Computed tomography, abdomen — axial view — abdomen soft-tissue window — SOMATOM Force scanner
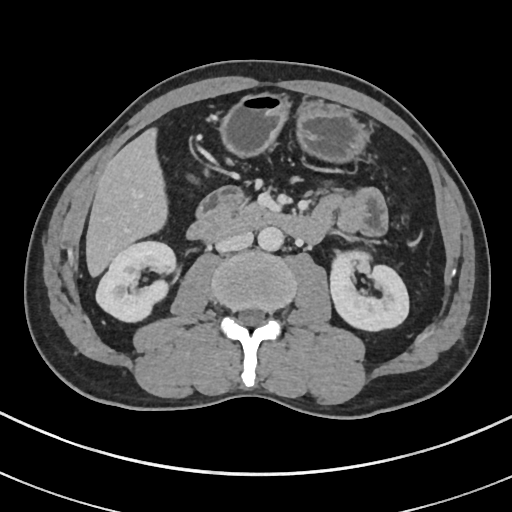
Boxes: x1 y1 x2 y2 (pixel coords, space-separated).
liver: 86 128 167 275
stomach: 222 94 363 162
aorta: 258 226 284 250
duodenum: 188 187 323 244
right kidney: 96 241 177 320
left kidney: 330 251 409 329
inferior vena cava: 215 230 253 251